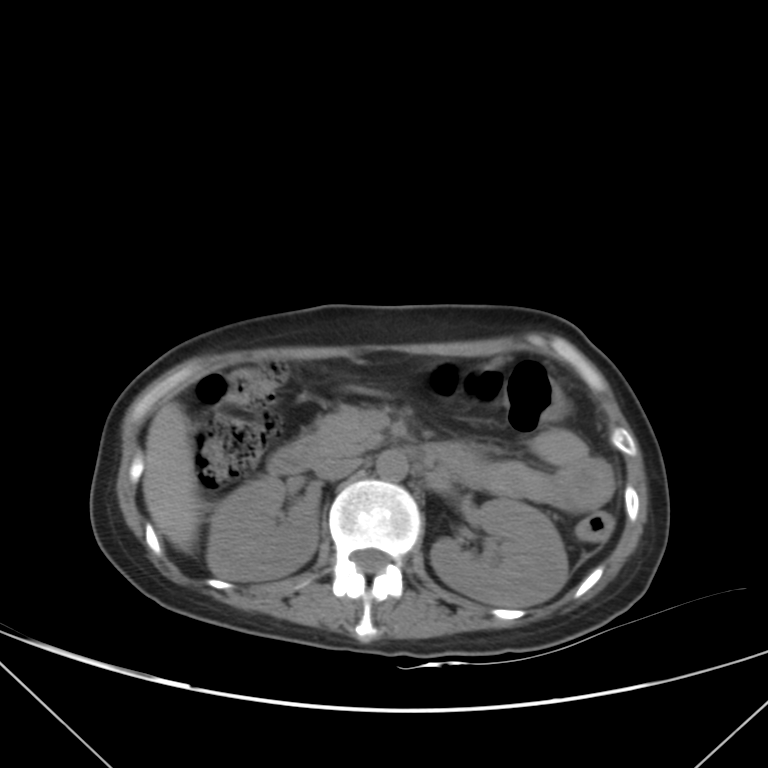

Abdominal CT; axial plane, index 60; soft-tissue window (W 400 / L 40); acquired on Brilliance16
Bounding boxes in pixels, one row per box: x1, y1 is the top-left corner and x2, y2 the bottom-right.
| organ | x1 | y1 | x2 | y2 |
|---|---|---|---|---|
| right kidney | 206 | 477 | 317 | 579 |
| left kidney | 430 | 499 | 567 | 606 |
| liver | 142 | 403 | 199 | 550 |
| aorta | 376 | 450 | 408 | 481 |
| inferior vena cava | 315 | 457 | 359 | 479 |
| pancreas | 304 | 406 | 381 | 454 |
| duodenum | 267 | 440 | 322 | 474 |